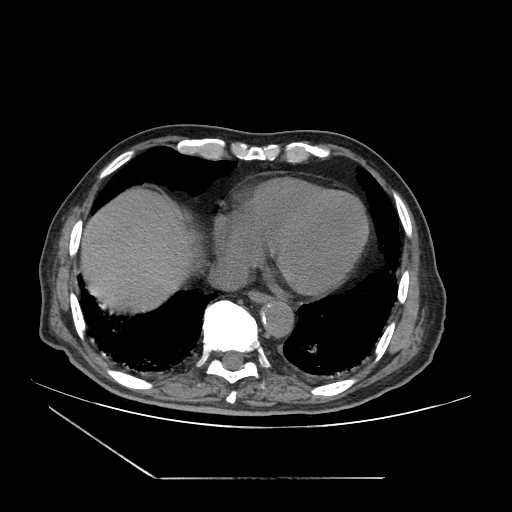
Computed tomography, abdomen. axial plane, index 168
Organ boxes in pixel coordinates; each row gives the top-left (x1, y1) and bottom-right (x2, y2) corners.
| organ | x1 | y1 | x2 | y2 |
|---|---|---|---|---|
| inferior vena cava | 209 | 261 | 248 | 290 |
| aorta | 261 | 300 | 293 | 336 |
| esophagus | 248 | 290 | 270 | 302 |
| liver | 80 | 188 | 198 | 312 |